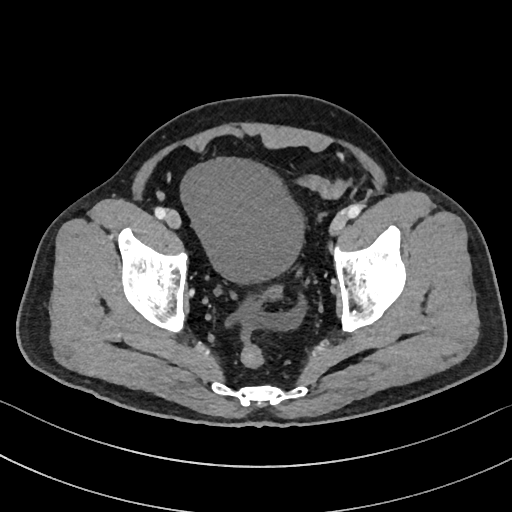

Abdominal CT — axial view — soft-tissue window (W 400 / L 40) — acquired on SOMATOM Force
Boxes are (x1, y1, x2, y2) in pixels. 1 labeled organ on this slice — bladder at (179, 158, 304, 283).